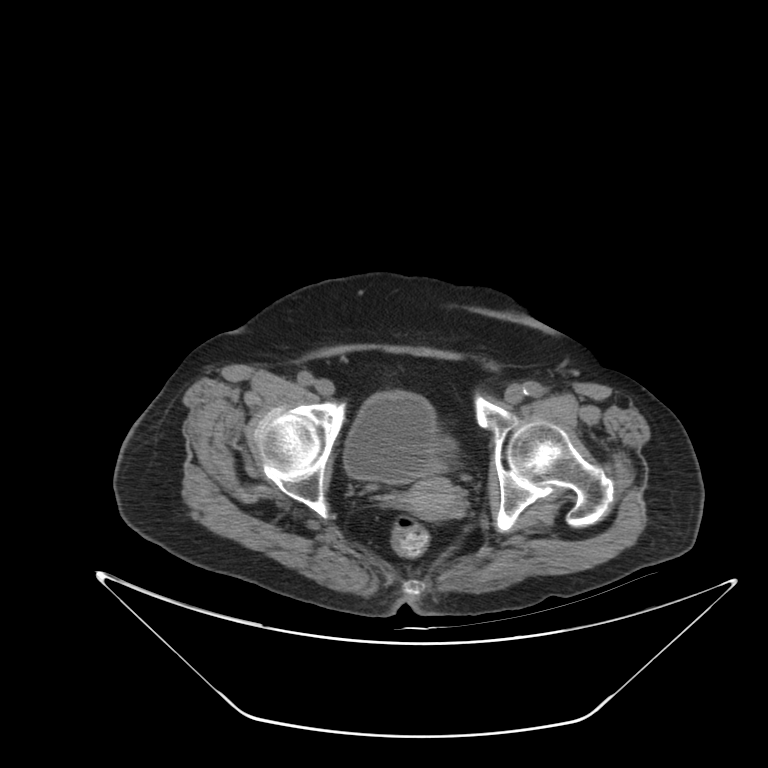 CT abdomen. axial view. soft-tissue window (W 400 / L 40). 78-year-old female patient
Each box given as x1,y1,x2,y2.
bladder: x1=343, y1=391, x2=442, y2=483
prostate/uterus: x1=400, y1=477, x2=462, y2=520